CT, abdomen/pelvis · axial view · 44-year-old male patient · scan has 15 labeled organs (that count is for the whole scan; organs this slice misses have no box)
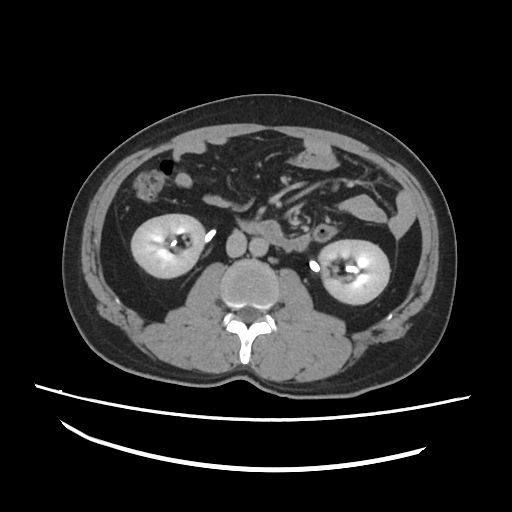
Each box given as x1,y1,x2,y2. Labeled organs on this slice: right kidney at x1=132, y1=213, x2=204, y2=277, left kidney at x1=320, y1=240, x2=390, y2=304, aorta at x1=249, y1=238, x2=267, y2=256, inferior vena cava at x1=226, y1=230, x2=246, y2=256, duodenum at x1=238, y1=220, x2=311, y2=250.